CT, abdomen/pelvis — axial view
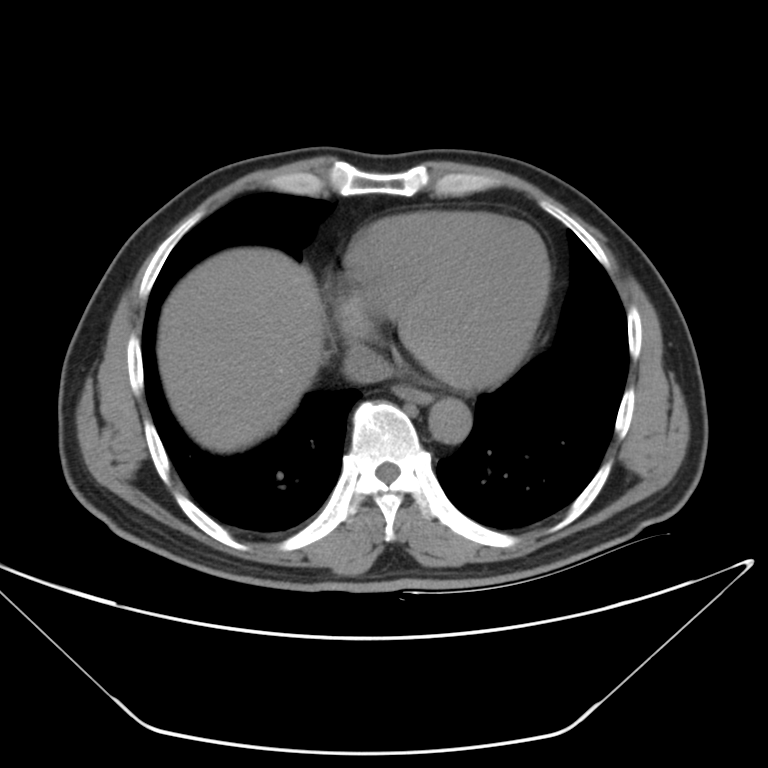
Bounding boxes as [x1, y1, x2, y2] in pixel coordinates. Labeled organs on this slice: liver at [156, 248, 325, 452], inferior vena cava at [346, 347, 400, 381], aorta at [429, 396, 470, 444], esophagus at [394, 385, 428, 404].